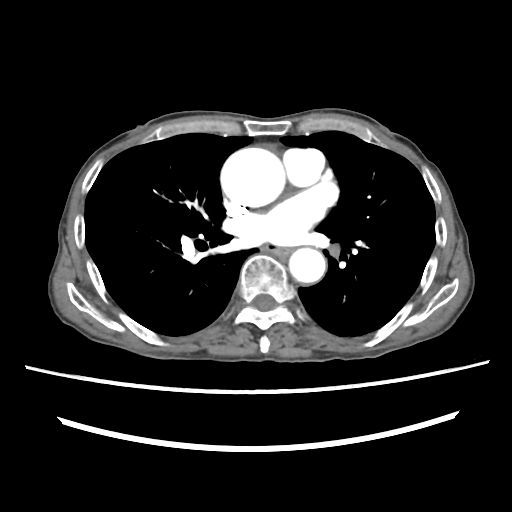
Abdominal CT reaching into the chest; this slice is in the chest; axial view; 512x512 px
At this level of the chest this dataset labels only the esophagus and the aorta, and each is boxed only where it is labeled; the heart and lungs are never labeled. Boxes: x1 y1 x2 y2 (pixel coords, space-separated). 2 labeled organs on this slice — esophagus at 262 244 290 256; aorta at 220 147 284 207; aorta at 289 248 325 282.